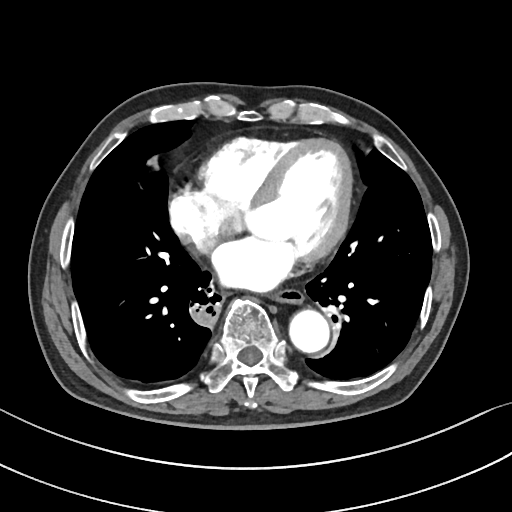 CT of the abdomen reaching into the lower chest, slice just above the liver and spleen; axial view; 512x512 px
No part of the heart or lungs is labeled in this dataset, so neither has a box here. Boxes are (x1, y1, x2, y2) in pixels. The annotated organs in this slice are: aorta at (289, 311, 329, 353), esophagus at (274, 289, 303, 305).